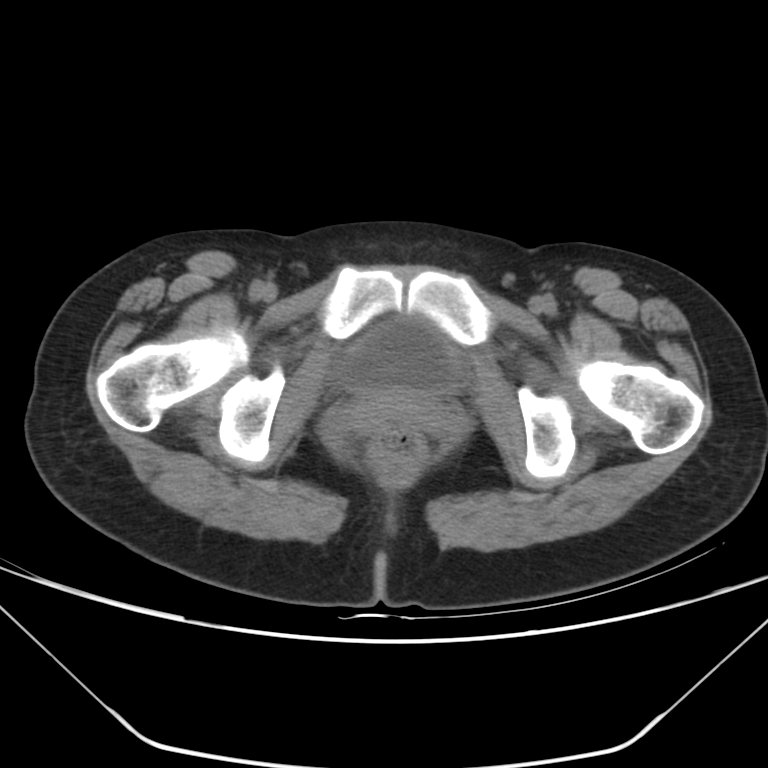 Computed tomography, abdomen · axial view · 768x768 px · scan has 15 labeled organs (that count is for the whole scan; organs this slice misses have no box)
Organ boxes in pixel coordinates; each row gives the top-left (x1, y1) and bottom-right (x2, y2) corners.
| organ | x1 | y1 | x2 | y2 |
|---|---|---|---|---|
| bladder | 332 | 315 | 461 | 394 |